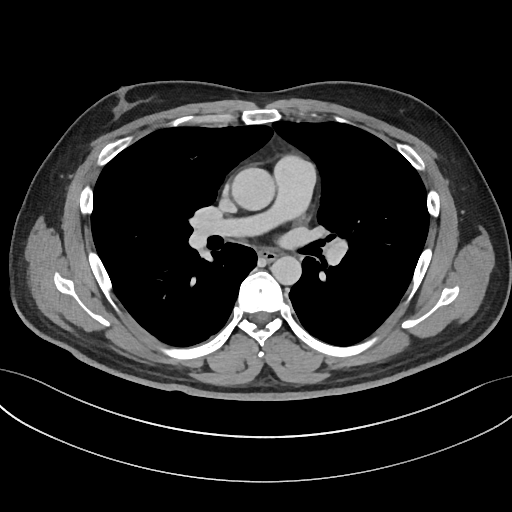 Abdominal CT reaching into the chest; this slice is in the chest · Axial slice 278/345 · W/L 400/40 HU · 512x512 px
At this level of the chest no structure but the esophagus and the aorta has a label in this dataset, and those two are boxed only where they are labeled.
{"organs":{"esophagus":[259,249,276,261],"aorta":[[231,167,274,211],[271,255,301,285]]}}